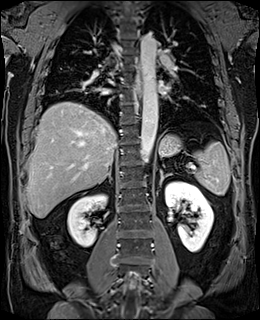 MRI, abdomen — coronal view
Boxes: x1:y1:x2:y2 in pixels.
Organ bounding boxes:
- left adrenal gland: 159:170:171:187
- stomach: 158:134:181:156
- spleen: 192:142:230:195
- aorta: 139:33:157:162
- right adrenal gland: 98:166:111:184
- liver: 27:102:116:218
- esophagus: 135:77:140:95
- right kidney: 67:194:106:246
- left kidney: 165:181:213:252